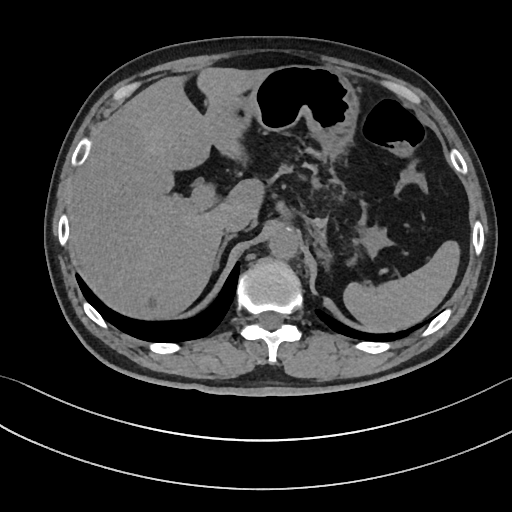
Computed tomography, abdomen; Axial slice 180/231; 512x512 px
Boxes: x1:y1:x2:y2 in pixels.
spleen: 343:240:460:331
liver: 69:67:271:318
stomach: 230:65:385:249
aorta: 268:228:298:258
inferior vena cava: 223:208:252:232
right adrenal gland: 214:234:235:270
left adrenal gland: 325:261:328:269